CT, abdomen/pelvis; axial plane, index 31; soft-tissue window; 512x512 px; acquired on SOMATOM Force
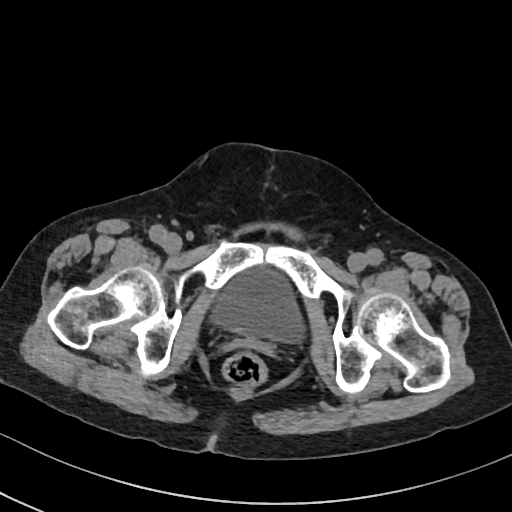
{"organs":{"bladder":[214,270,301,341]}}